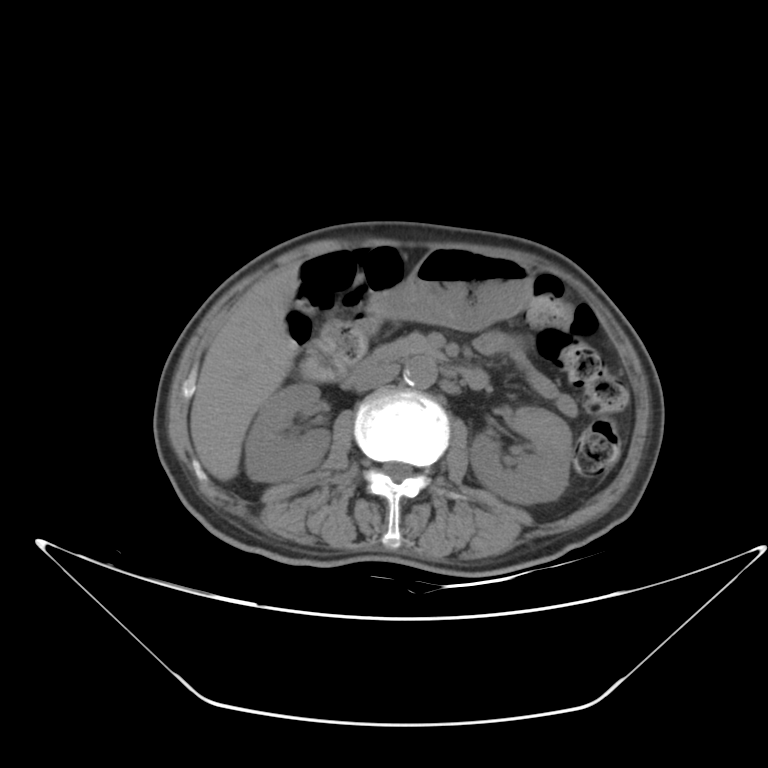
Abdominal CT; axial view; scan has 15 labeled organs (a whole-scan count: organs this slice does not pass through have no box)
Boxes: x1:y1:x2:y2 in pixels. The annotated organs in this slice are: inferior vena cava at 354:367:399:391, liver at 191:262:299:481, right kidney at 245:383:330:482, stomach at 365:246:533:333, left kidney at 468:405:571:504, duodenum at 344:349:488:389, pancreas at 388:335:430:348, aorta at 402:356:438:388.